Abdominal CT; axial view; soft-tissue window (W 400 / L 40)
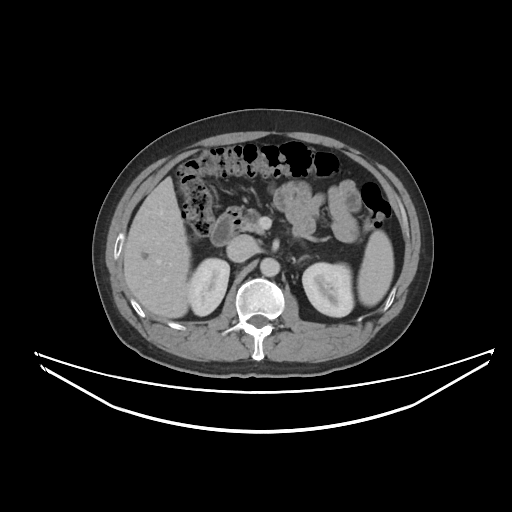 Box edges are left/top/right/bottom in pixels.
liver: left=123, top=176, right=190, bottom=317
spleen: left=357, top=230, right=393, bottom=306
aorta: left=260, top=257, right=279, bottom=276
inferior vena cava: left=226, top=234, right=257, bottom=262
pancreas: left=239, top=209, right=264, bottom=234
left adrenal gland: left=297, top=255, right=308, bottom=262
duodenum: left=210, top=207, right=242, bottom=245
left kidney: left=302, top=263, right=353, bottom=316
right kidney: left=188, top=258, right=229, bottom=315